Abdominal MR · coronal acquisition
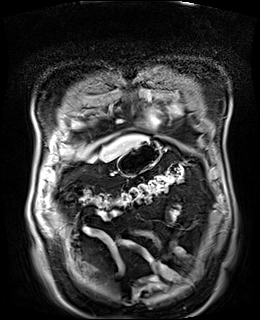 Each box given as x1,y1,x2,y2.
Organ bounding boxes:
- liver: x1=89, y1=135, x2=146, y2=161
- stomach: x1=117, y1=139, x2=161, y2=176